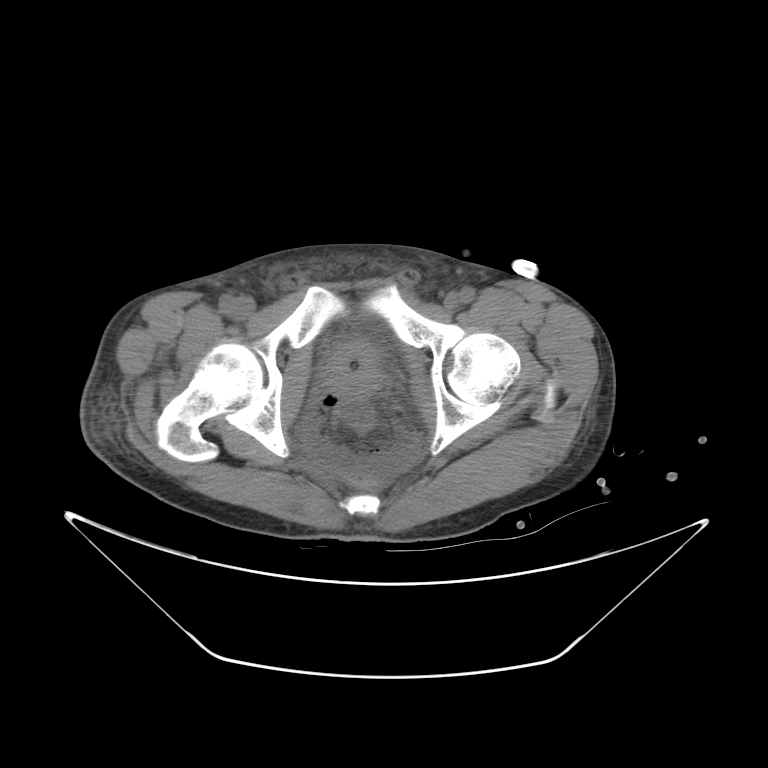
CT, abdomen/pelvis — axial view — W/L 400/40 HU — 768x768 px
Box edges are left/top/right/bottom in pixels.
Organ bounding boxes:
- prostate/uterus: left=322, top=347, right=384, bottom=398